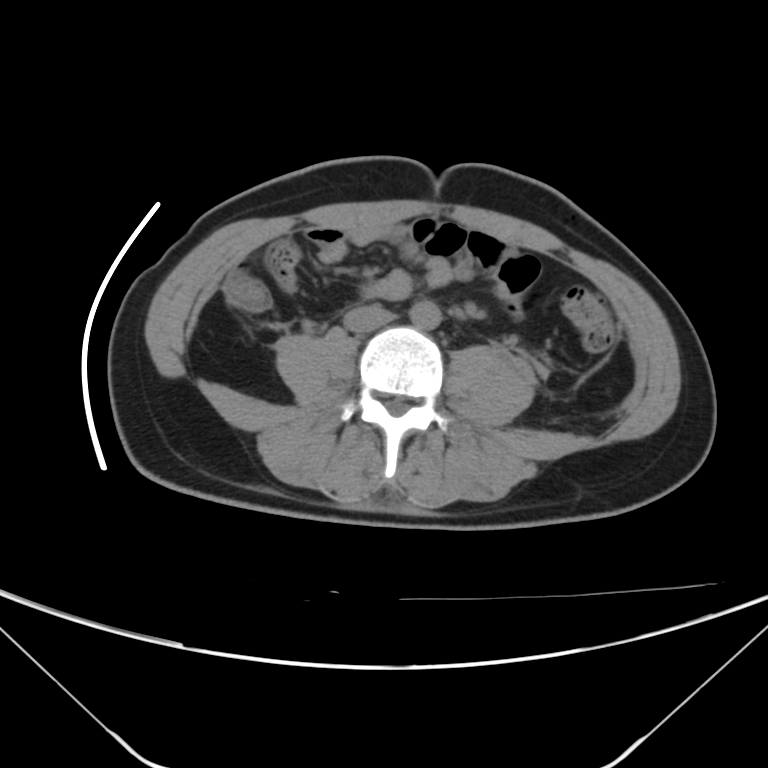 CT, abdomen/pelvis — axial plane, index 44 — 768x768 px — 15 organs annotated in this scan (counted over the whole 3D scan, not this slice; an organ is boxed only where this slice passes through it)
Boxes: x1:y1:x2:y2 in pixels.
Organ bounding boxes:
- aorta: 410:301:442:329
- inferior vena cava: 343:304:393:333